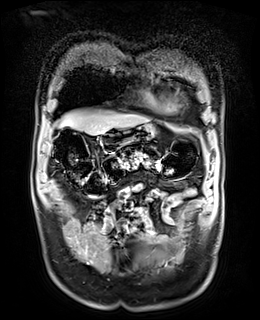

Abdominal MR. coronal acquisition
Boxes: x1:y1:x2:y2 in pixels. The annotated organs in this slice are: liver at 62:111:147:135, stomach at 99:123:154:151.